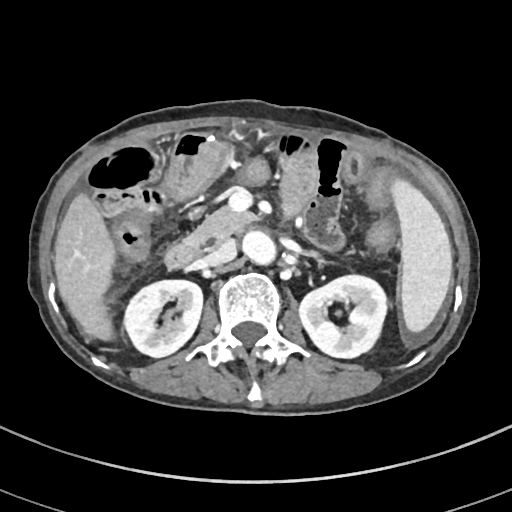
CT abdomen — axial view — 14 organs annotated in this scan (counted over the whole 3D scan, not this slice; an organ is boxed only where this slice passes through it)
Boxes: x1 y1 x2 y2 (pixel coords, space-separated).
Organ bounding boxes:
- spleen: 390 177 453 334
- right kidney: 125 280 203 356
- left kidney: 298 275 386 358
- liver: 53 194 115 340
- aorta: 241 230 278 266
- inferior vena cava: 201 240 237 265
- pancreas: 186 205 257 247
- left adrenal gland: 306 249 324 258
- duodenum: 165 239 200 268